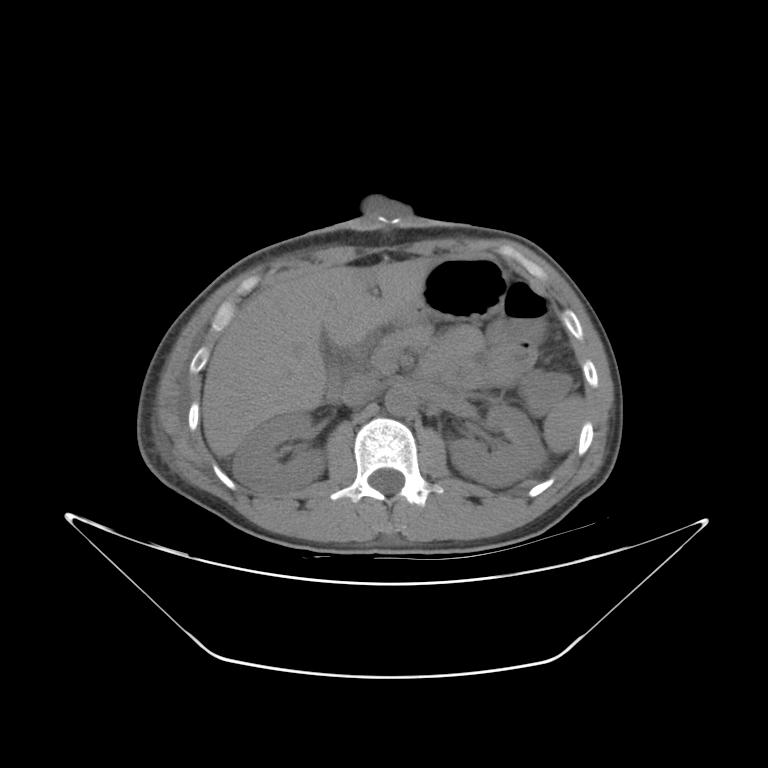 Computed tomography, abdomen. axial view. W/L 400/40 HU. 768x768 px
{"organs":{"aorta":[385,387,414,415],"gall bladder":[324,345,340,402],"stomach":[393,257,508,326],"spleen":[543,395,582,453],"duodenum":[347,332,375,366],"pancreas":[372,325,432,368],"liver":[202,258,433,457],"left kidney":[448,405,545,486],"right kidney":[232,411,324,496],"inferior vena cava":[341,375,380,406]}}